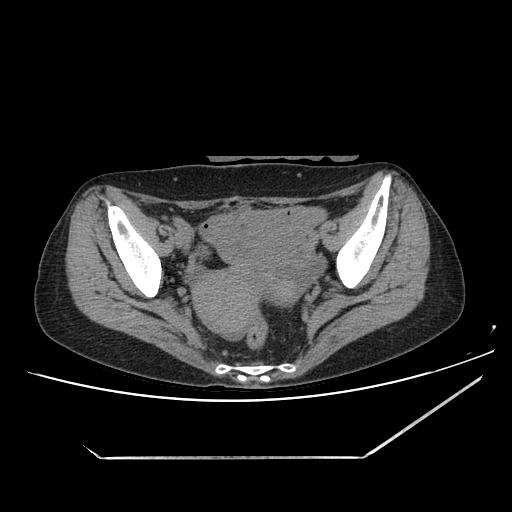 Abdominal CT; axial view; SOMATOM Force scanner; 14 organs annotated in this scan (that count is for the whole scan; organs this slice misses have no box)
<organs><organ name="prostate/uterus" x1="192" y1="270" x2="297" y2="335"/></organs>